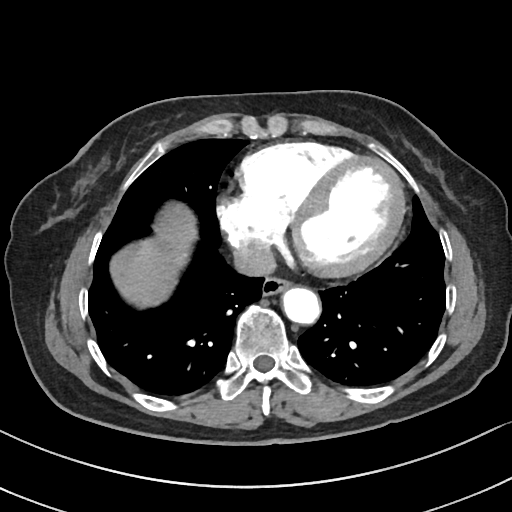
Abdominal CT — axial view — soft-tissue window — 512x512 px — scan has 15 labeled organs (that count is for the whole scan; organs this slice misses have no box)
{"organs":{"esophagus":[262,277,290,295],"liver":[110,203,197,307],"aorta":[282,287,320,324],"inferior vena cava":[233,243,274,276]}}